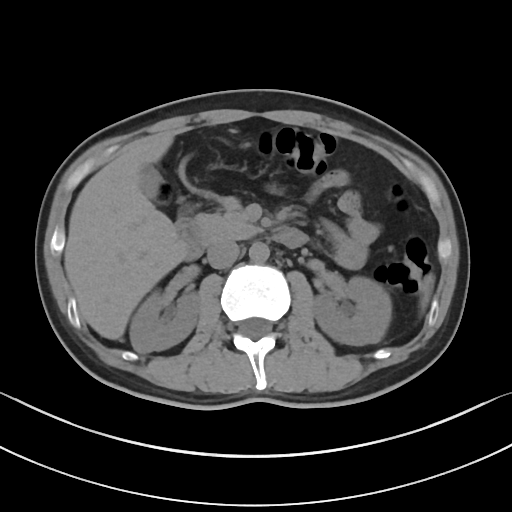
Computed tomography, abdomen. axial plane, index 60. W/L 400/40 HU
<organs><organ name="spleen" x1="420" y1="275" x2="434" y2="310"/><organ name="right kidney" x1="130" y1="290" x2="199" y2="352"/><organ name="left kidney" x1="312" y1="276" x2="391" y2="345"/><organ name="gall bladder" x1="139" y1="165" x2="160" y2="199"/><organ name="liver" x1="64" y1="132" x2="185" y2="339"/><organ name="aorta" x1="249" y1="242" x2="269" y2="262"/><organ name="inferior vena cava" x1="207" y1="240" x2="239" y2="268"/><organ name="pancreas" x1="196" y1="198" x2="260" y2="243"/><organ name="duodenum" x1="175" y1="214" x2="307" y2="260"/></organs>